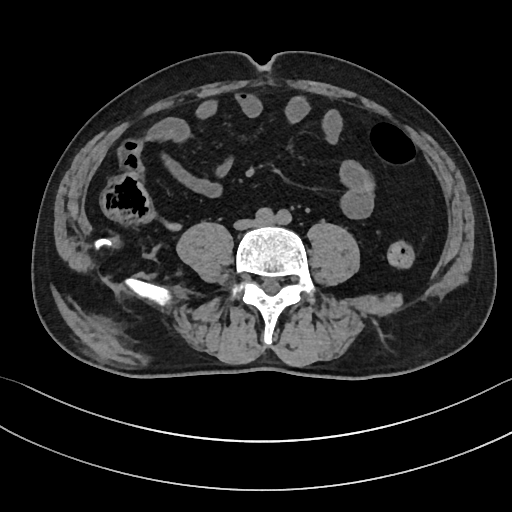 CT abdomen. Axial slice 98/231. soft-tissue window (W 400 / L 40). 15 organs annotated in this scan (that count is for the whole scan; organs this slice misses have no box)
Bounding boxes as [x1, y1, x2, y2] in pixel coordinates.
Organ bounding boxes:
- inferior vena cava: [236, 220, 256, 228]